CT abdomen — axial view — 768x768 px — 53-year-old male patient — 15 organs annotated in this scan (counted over the whole 3D scan, not this slice; an organ is boxed only where this slice passes through it)
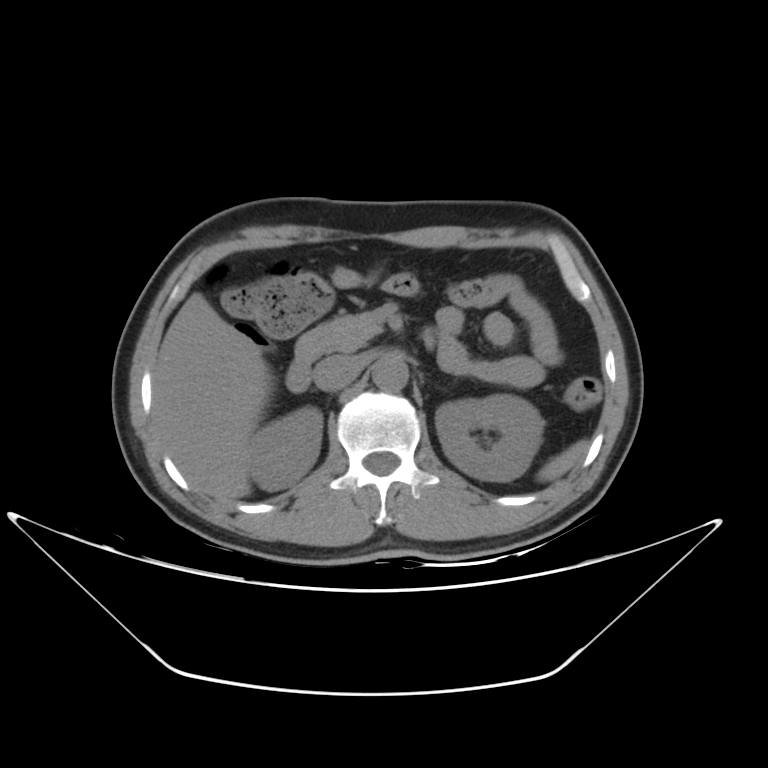
Bounding boxes as [x1, y1, x2, y2] in pixel coordinates.
Organ bounding boxes:
- spleen: [537, 440, 587, 482]
- right kidney: [250, 409, 324, 490]
- left kidney: [433, 396, 542, 481]
- liver: [154, 290, 273, 502]
- aorta: [372, 355, 407, 390]
- inferior vena cava: [313, 355, 356, 392]
- pancreas: [326, 311, 384, 351]
- duodenum: [286, 328, 340, 392]